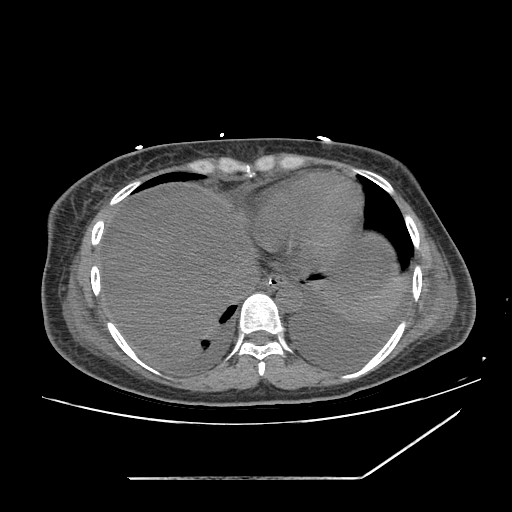

Computed tomography, abdomen — axial plane, index 167 — soft-tissue window (W 400 / L 40) — 15 organs annotated in this scan (counted over the whole 3D scan, not this slice; an organ is boxed only where this slice passes through it)
Coordinates as <box>x1,y1,x2,y2</box> in pixels.
Organ bounding boxes:
- esophagus: <box>261,274,295,289</box>
- liver: <box>107,189,387,348</box>
- stomach: <box>277,283,289,310</box>
- aorta: <box>275,284,301,311</box>
- inferior vena cava: <box>225,261,260,297</box>